Abdominal CT; this slice is in the lower chest, just above the liver. Axial slice 85/124. W/L 400/40 HU. 512x512 px
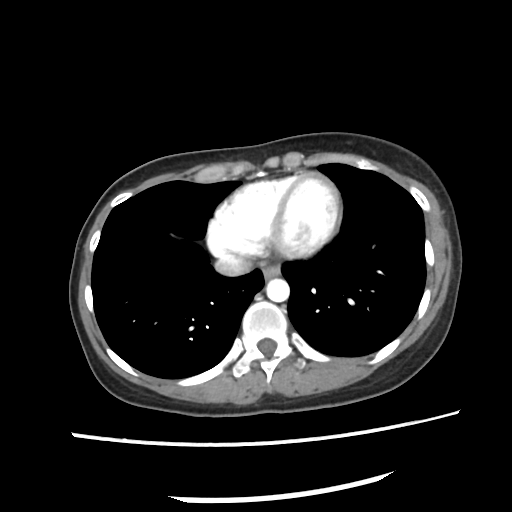 Of the structures in the chest, this dataset labels only the esophagus, the aorta and the inferior vena cava; the heart and lungs have no label.
Bounding boxes as [x1, y1, x2, y2] in pixel coordinates.
esophagus: [262, 265, 278, 279]
inferior vena cava: [215, 254, 253, 277]
aorta: [264, 278, 289, 302]